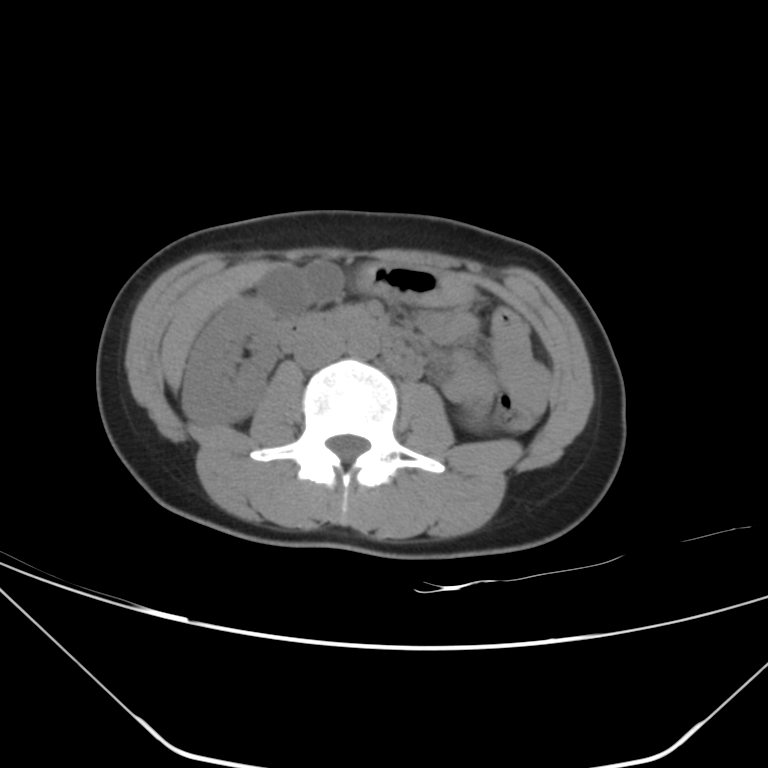

Computed tomography, abdomen. axial view. 15 organs annotated in this scan (counted over the whole 3D scan, not this slice; an organ is boxed only where this slice passes through it)
One row per box, in pixels: columns x1 and y1 give the top-left corner, x2 and y2 the bottom-right.
| organ | x1 | y1 | x2 | y2 |
|---|---|---|---|---|
| right kidney | 181 | 297 | 279 | 425 |
| left kidney | 471 | 419 | 477 | 424 |
| gall bladder | 257 | 259 | 344 | 313 |
| liver | 161 | 266 | 272 | 387 |
| stomach | 357 | 264 | 474 | 306 |
| aorta | 347 | 328 | 379 | 358 |
| inferior vena cava | 295 | 333 | 344 | 368 |
| pancreas | 349 | 307 | 353 | 308 |
| duodenum | 280 | 309 | 424 | 379 |